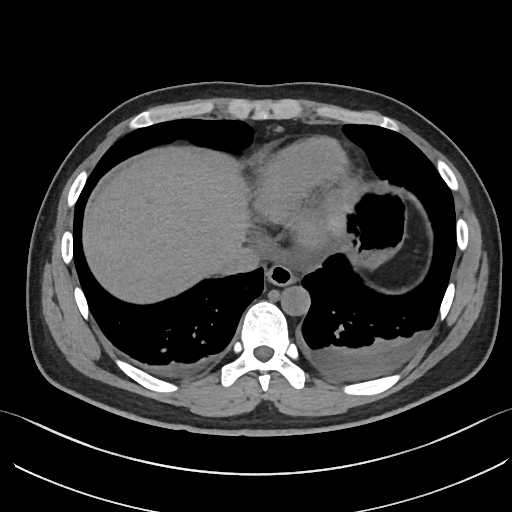

CT, abdomen/pelvis; axial plane, index 215; soft-tissue window (W 400 / L 40); 512x512 px
{"organs":{"esophagus":[266,264,296,285],"liver":[83,146,249,303],"stomach":[344,188,406,267],"aorta":[280,286,310,315],"inferior vena cava":[223,246,259,274]}}